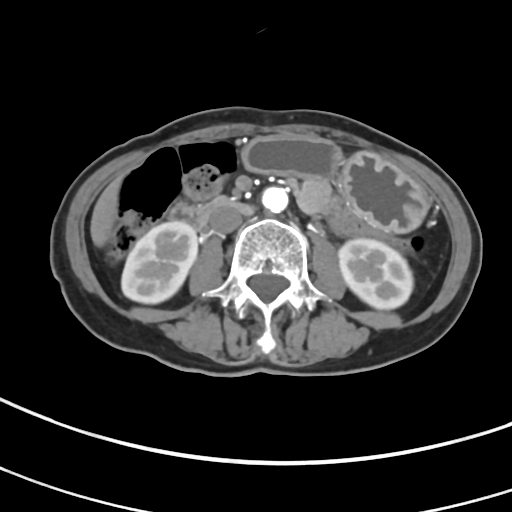
Abdominal CT — Axial slice 47/118 — 512x512 px — acquired on SOMATOM Force
{"organs":{"right kidney":[121,221,198,303],"left kidney":[338,238,412,309],"liver":[90,181,119,246],"stomach":[242,137,429,232],"aorta":[261,186,287,213],"inferior vena cava":[209,207,242,233],"duodenum":[168,195,254,229]}}